Computed tomography, abdomen · axial view · 45-year-old male patient
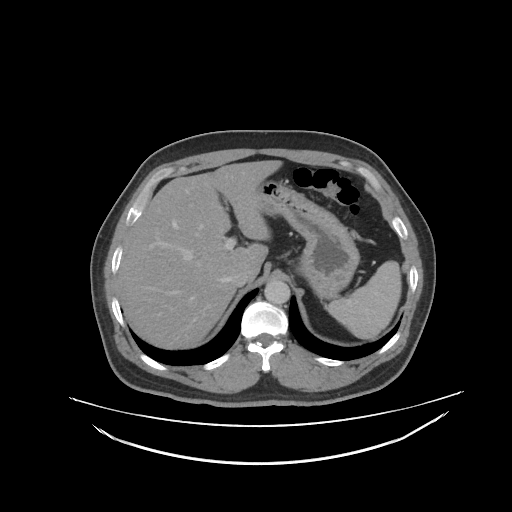
<organs><organ name="aorta" x1="264" y1="281" x2="290" y2="303"/><organ name="inferior vena cava" x1="231" y1="271" x2="248" y2="287"/><organ name="liver" x1="118" y1="159" x2="279" y2="349"/><organ name="stomach" x1="254" y1="180" x2="359" y2="296"/><organ name="spleen" x1="324" y1="261" x2="401" y2="339"/></organs>